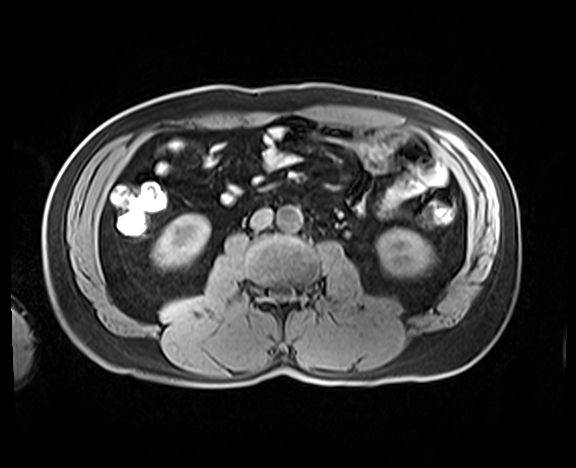 MRI, abdomen; axial plane, index 5; 1st–99th percentile window; 13 organs annotated in this scan (that count is for the whole scan; organs this slice misses have no box)
Boxes are (x1, y1, x2, y2) in pixels.
Organ bounding boxes:
- right kidney: (152, 214, 209, 268)
- left kidney: (376, 229, 433, 278)
- aorta: (276, 206, 302, 231)
- inferior vena cava: (250, 209, 271, 229)